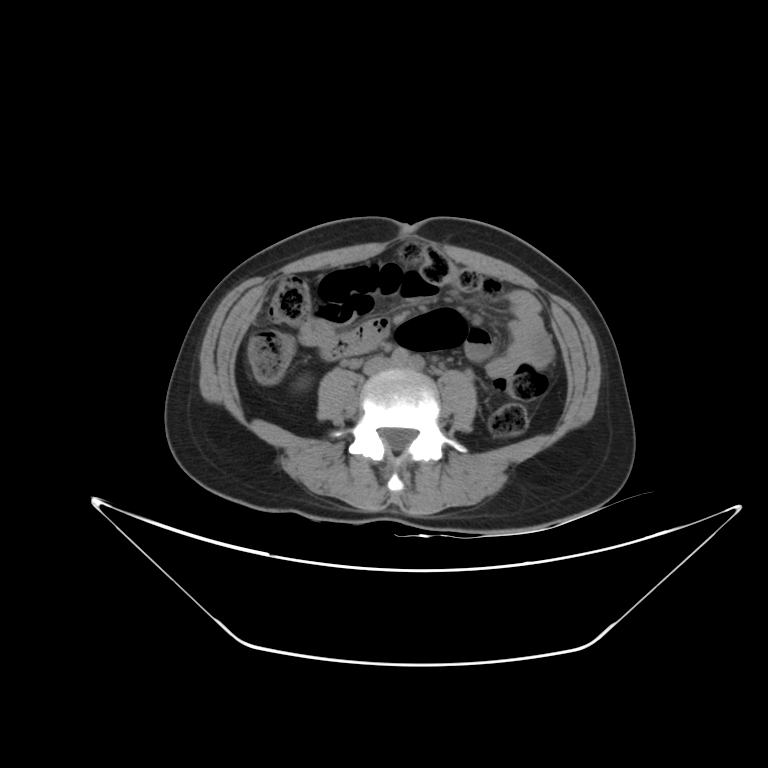

CT abdomen · axial view · soft-tissue window · 768x768 px · 15 organs annotated in this scan (that count is for the whole scan; organs this slice misses have no box)
<organs><organ name="right kidney" x1="295" y1="377" x2="308" y2="388"/><organ name="inferior vena cava" x1="364" y1="357" x2="392" y2="375"/></organs>